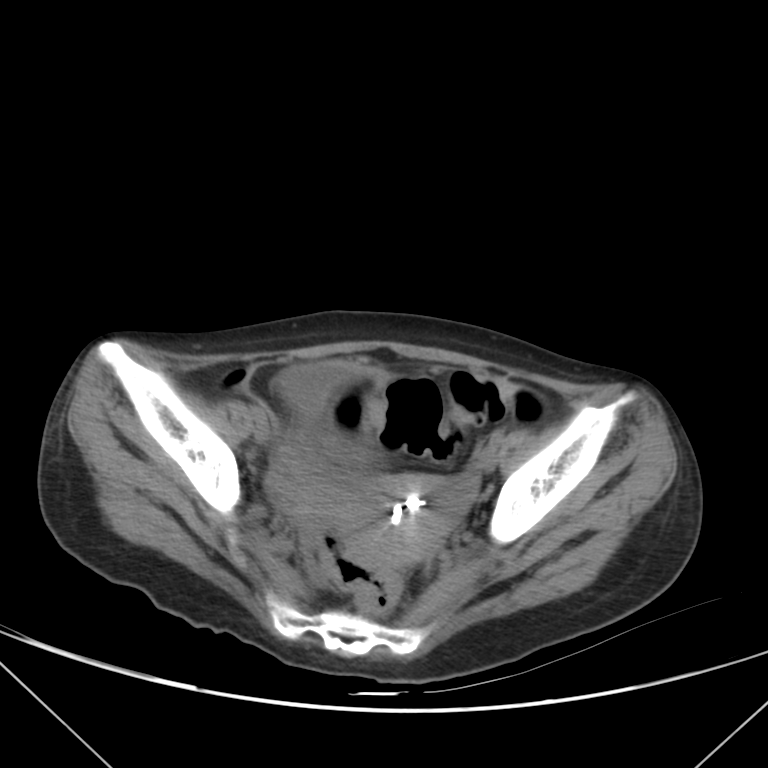 CT abdomen · axial view · soft-tissue window · 768x768 px
<organs><organ name="bladder" x1="278" y1="360" x2="381" y2="469"/><organ name="prostate/uterus" x1="332" y1="474" x2="457" y2="567"/></organs>